Abdominal CT · Axial slice 50/116 · 512x512 px
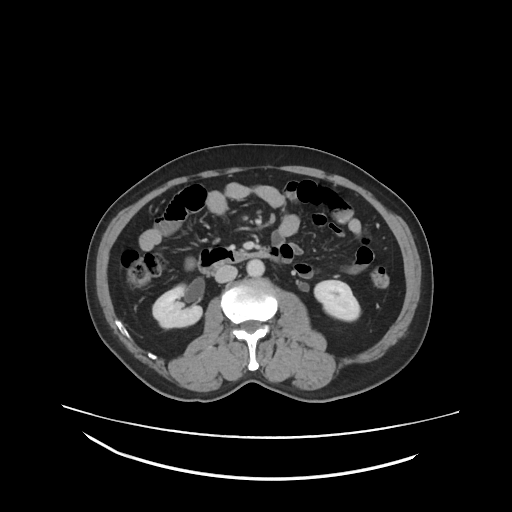
Boxes are (x1, y1, x2, y2) in pixels. 5 labeled organs on this slice — right kidney at (154, 284, 202, 327); left kidney at (314, 279, 360, 319); aorta at (247, 259, 264, 277); inferior vena cava at (214, 265, 237, 283); duodenum at (198, 246, 271, 275).